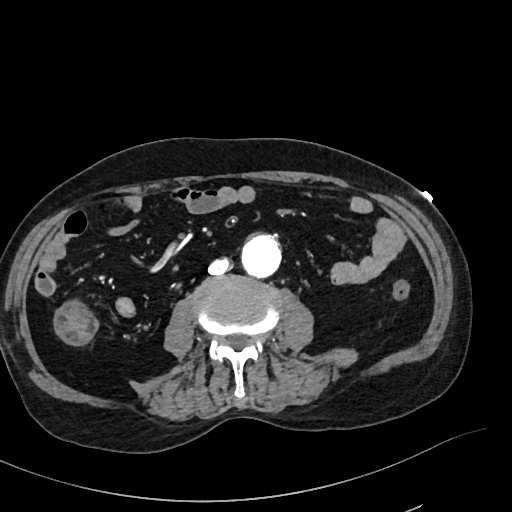
CT abdomen · axial view · soft-tissue window · 512x512 px
Boxes: x1 y1 x2 y2 (pixel coords, space-separated). The annotated organs in this slice are: aorta at 242 236 280 277, inferior vena cava at 209 259 229 274.